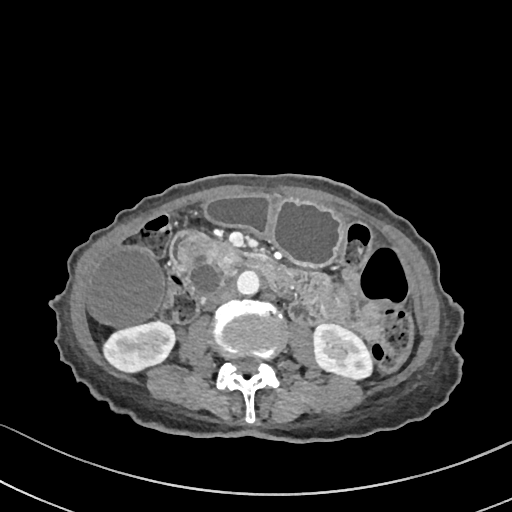 Computed tomography, abdomen; Axial slice 151/236; scan has 15 labeled organs (a whole-scan count: organs this slice does not pass through have no box)
<organs><organ name="duodenum" x1="169" y1="230" x2="293" y2="292"/><organ name="stomach" x1="206" y1="195" x2="343" y2="266"/><organ name="aorta" x1="237" y1="269" x2="260" y2="294"/><organ name="right kidney" x1="102" y1="322" x2="173" y2="371"/><organ name="gall bladder" x1="85" y1="247" x2="163" y2="326"/><organ name="left kidney" x1="313" y1="324" x2="372" y2="380"/><organ name="pancreas" x1="180" y1="236" x2="240" y2="270"/><organ name="inferior vena cava" x1="207" y1="288" x2="236" y2="306"/></organs>